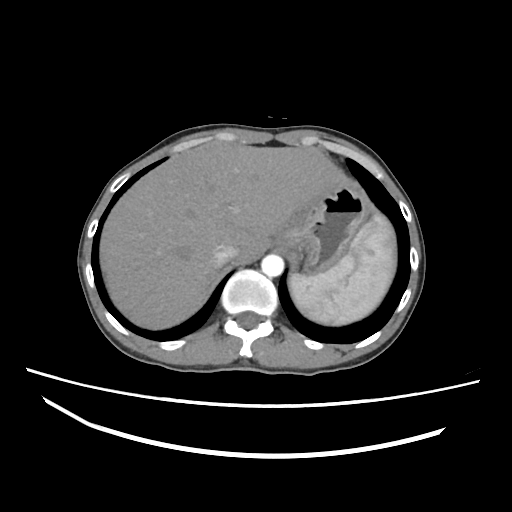
CT, abdomen/pelvis — Axial slice 87/140 — soft-tissue window (W 400 / L 40) — 40-year-old male patient — 15 organs annotated in this scan (that count is for the whole scan; organs this slice misses have no box)
One row per box, in pixels: columns x1 and y1 give the top-left corner, x2 and y2 the bottom-right.
| organ | x1 | y1 | x2 | y2 |
|---|---|---|---|---|
| spleen | 289 | 214 | 395 | 325 |
| liver | 99 | 142 | 341 | 329 |
| stomach | 271 | 181 | 370 | 272 |
| aorta | 261 | 254 | 283 | 277 |
| inferior vena cava | 213 | 243 | 236 | 265 |